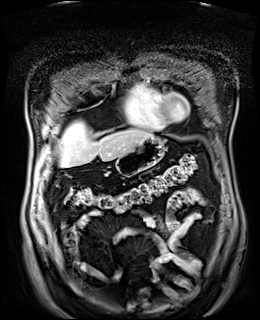

Magnetic resonance imaging, abdomen · coronal view · scan has 13 labeled organs (a whole-scan count: organs this slice does not pass through have no box)
{"organs":{"stomach":[116,137,165,176],"liver":[60,122,153,167]}}